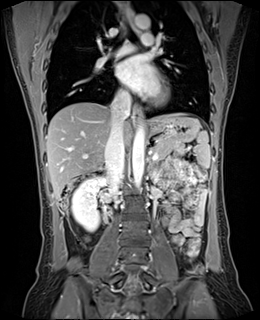

MRI, abdomen; coronal plane, index 66; 260x320 px; 13 organs annotated in this scan (counted over the whole 3D scan, not this slice; an organ is boxed only where this slice passes through it)
<organs><organ name="spleen" x1="193" y1="131" x2="210" y2="168"/><organ name="right kidney" x1="72" y1="176" x2="106" y2="231"/><organ name="esophagus" x1="134" y1="105" x2="142" y2="124"/><organ name="esophagus" x1="128" y1="9" x2="133" y2="23"/><organ name="liver" x1="46" y1="102" x2="186" y2="198"/><organ name="stomach" x1="147" y1="116" x2="200" y2="142"/><organ name="aorta" x1="132" y1="125" x2="144" y2="189"/><organ name="aorta" x1="134" y1="15" x2="149" y2="28"/><organ name="inferior vena cava" x1="105" y1="93" x2="130" y2="190"/><organ name="pancreas" x1="153" y1="141" x2="182" y2="158"/><organ name="left adrenal gland" x1="148" y1="159" x2="150" y2="164"/></organs>